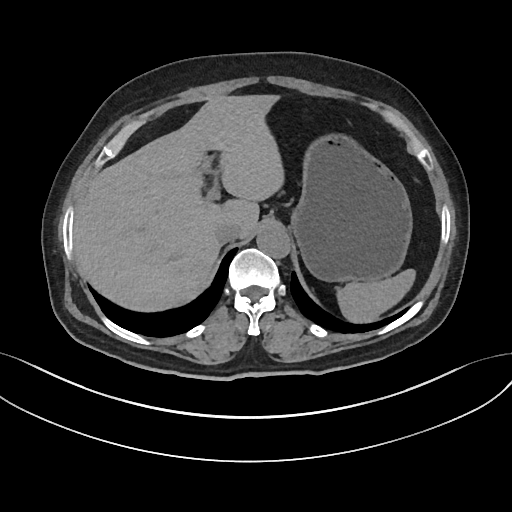 Abdominal CT · axial view · abdomen soft-tissue window
Boxes: x1:y1:x2:y2 in pixels.
Organ bounding boxes:
- spleen: 337:269:415:323
- liver: 73:94:284:311
- stomach: 291:136:412:281
- aorta: 256:225:290:258
- inferior vena cava: 214:222:240:242